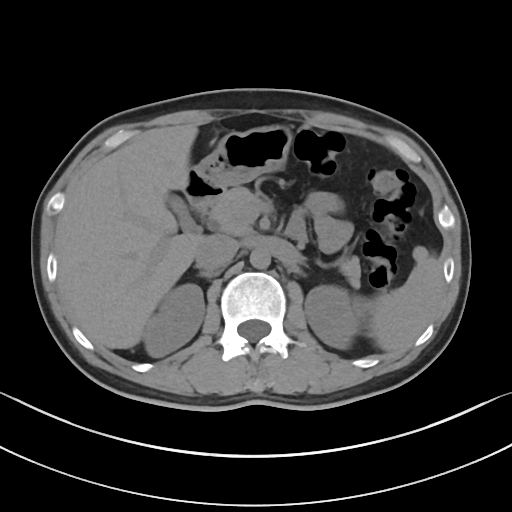

Abdominal CT · axial view · soft-tissue window · 512x512 px
{"organs":{"inferior vena cava":[195,235,238,270],"duodenum":[183,168,222,216],"left kidney":[305,285,368,348],"pancreas":[209,187,360,287],"right kidney":[143,283,204,357],"gall bladder":[166,194,195,230],"aorta":[249,248,270,269],"liver":[56,124,204,348],"stomach":[193,125,293,191],"spleen":[371,246,443,352]}}